CT abdomen — axial plane, index 15 — Aquilion ONE scanner
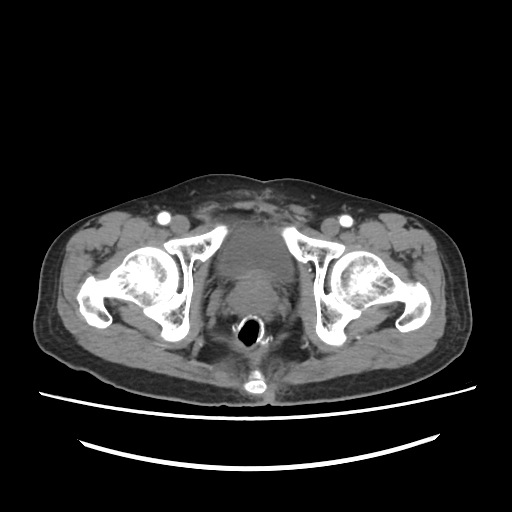
<organs><organ name="bladder" x1="218" y1="225" x2="292" y2="281"/><organ name="prostate/uterus" x1="228" y1="275" x2="277" y2="316"/></organs>